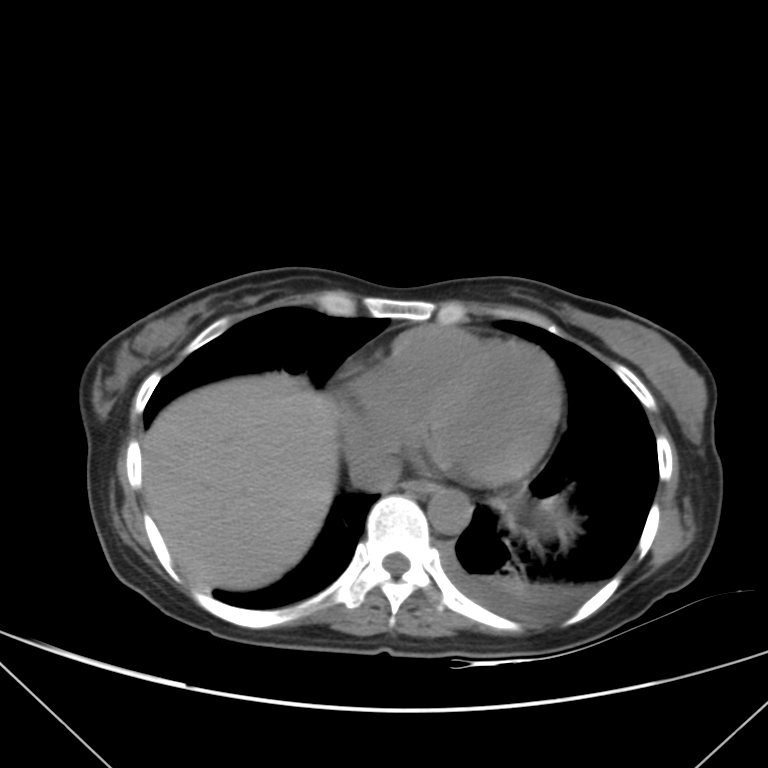
Abdominal CT — axial plane, index 86 — soft-tissue window — 768x768 px — 39-year-old female patient
Boxes are (x1, y1, x2, y2) in pixels.
esophagus: (404, 480, 434, 493)
liver: (142, 372, 337, 589)
aorta: (428, 489, 471, 534)
inferior vena cava: (350, 450, 400, 490)